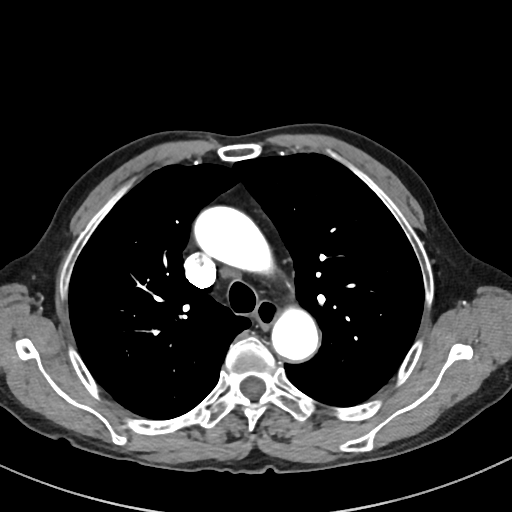
CT of the abdomen extending into the chest, slice through the chest — axial view — W/L 400/40 HU
On a slice this high in the chest, this dataset labels only the esophagus and the aorta, and each is boxed only where it is labeled; the heart, lungs and other chest structures are not labeled. Boxes are (x1, y1, x2, y2) in pixels. The annotated organs in this slice are: esophagus at (253, 302, 275, 326), aorta at (196, 207, 280, 277), aorta at (271, 303, 318, 359).